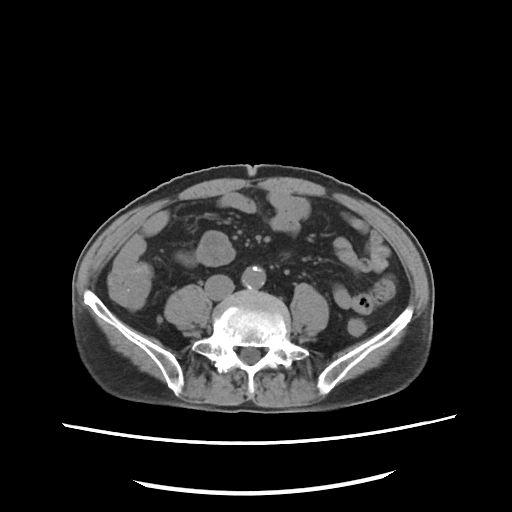
CT, abdomen/pelvis — axial view — W/L 400/40 HU — 68-year-old male patient — Aquilion ONE scanner — 15 organs annotated in this scan (counted over the whole 3D scan, not this slice; an organ is boxed only where this slice passes through it)
Boxes are (x1, y1, x2, y2) in pixels.
Organ bounding boxes:
- aorta: (242, 266, 265, 289)
- inferior vena cava: (205, 275, 234, 300)